CT abdomen; axial view; SOMATOM Force scanner; 15 organs annotated in this scan (a whole-scan count: organs this slice does not pass through have no box)
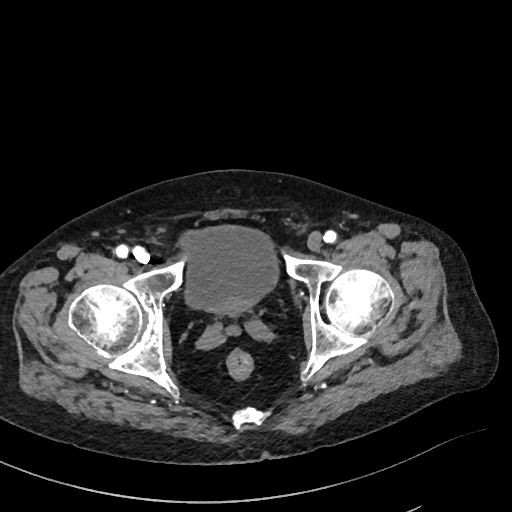

Organ boxes in pixel coordinates; each row gives the top-left (x1, y1) and bottom-right (x2, y2) corners.
| organ | x1 | y1 | x2 | y2 |
|---|---|---|---|---|
| bladder | 181 | 224 | 278 | 312 |